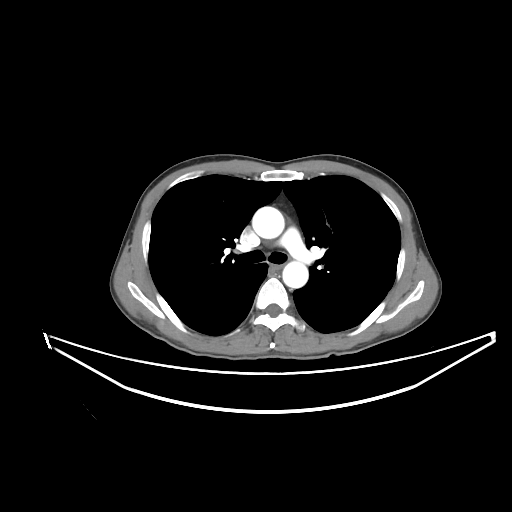

Chest-level slice from an abdominal CT that extends up into the chest · axial view · soft-tissue window · 512x512 px · 52-year-old male patient
At this level of the chest no structure but the esophagus and the aorta has a label in this dataset, and those two are boxed only where they are labeled.
Bounding boxes in pixels, one row per box: x1, y1 is the top-left corner and x2, y2 the bottom-right.
| organ | x1 | y1 | x2 | y2 |
|---|---|---|---|---|
| aorta | 252 | 206 | 284 | 238 |
| aorta | 282 | 261 | 308 | 288 |
| esophagus | 271 | 264 | 282 | 270 |